Abdominal CT. axial view. acquired on Aquilion ONE
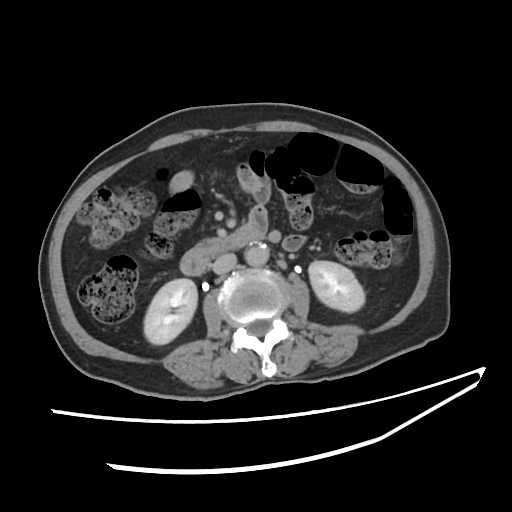

Boxes are (x1, y1, x2, y2) in pixels.
Organ bounding boxes:
- right kidney: (145, 278, 196, 343)
- left kidney: (308, 261, 365, 312)
- aorta: (245, 242, 269, 264)
- inferior vena cava: (212, 254, 236, 274)
- duodenum: (178, 221, 264, 274)